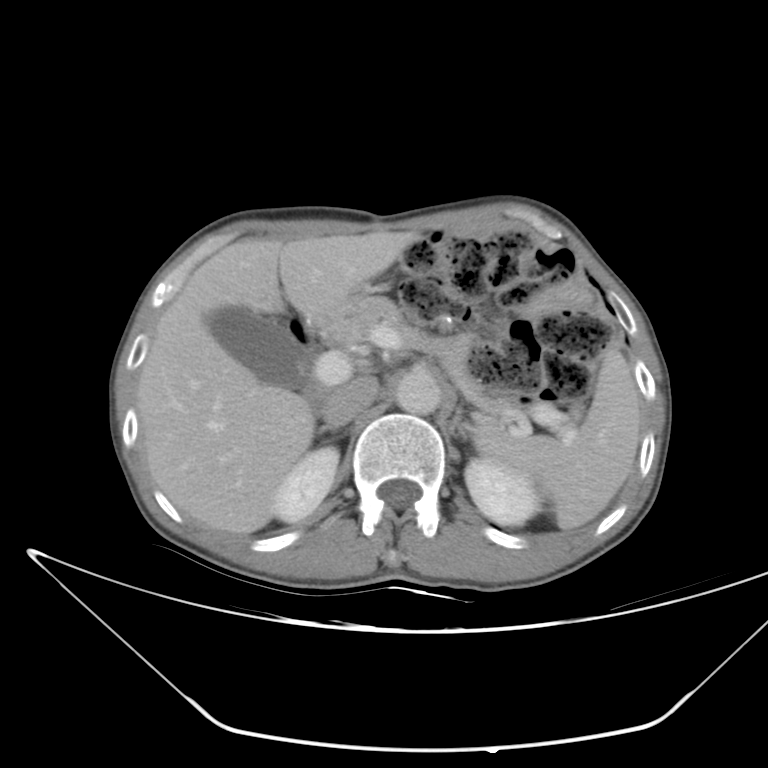
CT abdomen — Axial slice 43/104 — soft-tissue window — 768x768 px — 62-year-old male patient
Boxes are (x1, y1, x2, y2) in pixels.
Organ bounding boxes:
- spleen: (475, 348, 642, 529)
- right kidney: (274, 447, 338, 523)
- left kidney: (466, 459, 539, 527)
- gall bladder: (204, 308, 320, 402)
- liver: (135, 228, 420, 535)
- aorta: (395, 367, 441, 414)
- inferior vena cava: (322, 377, 378, 425)
- pancreas: (318, 295, 469, 357)
- right adrenal gland: (314, 423, 351, 435)
- left adrenal gland: (449, 403, 468, 440)